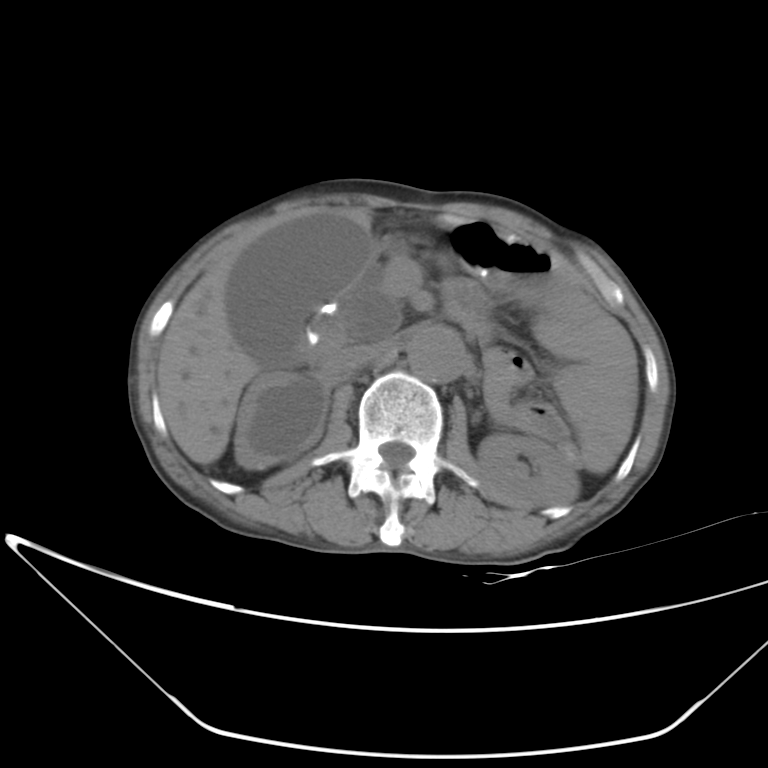
CT, abdomen/pelvis — Axial slice 56/82 — abdomen soft-tissue window — 768x768 px — 66-year-old male patient — Brilliance16 scanner
Boxes: x1:y1:x2:y2 in pixels.
right kidney: 234:370:329:468
left kidney: 477:434:579:506
gall bladder: 226:211:372:364
liver: 157:206:371:463
aorta: 408:326:465:382
inferior vena cava: 330:341:389:377
pancreas: 379:239:407:264
duodenum: 299:310:344:364